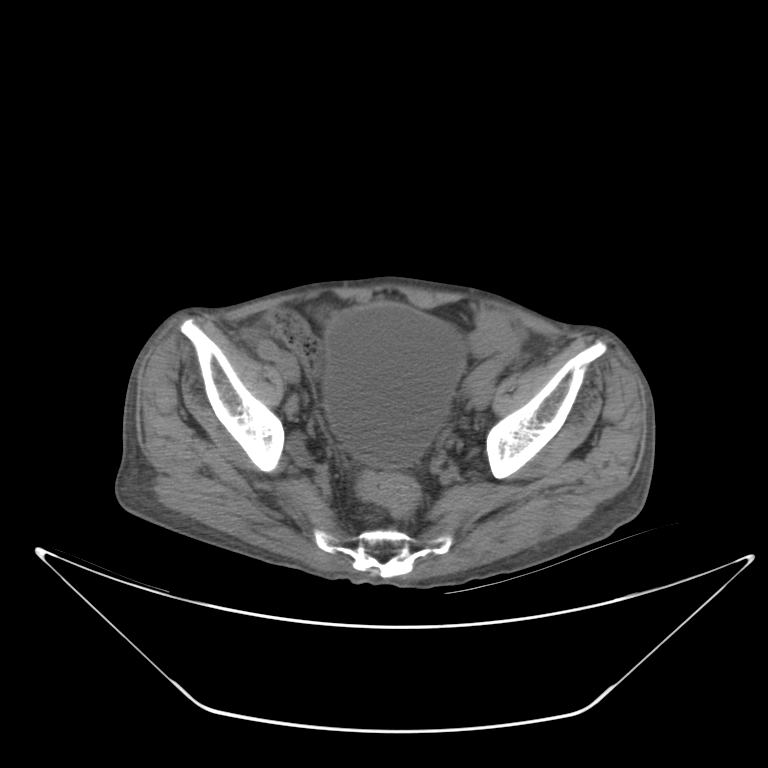

Computed tomography, abdomen. Axial slice 28/95. abdomen soft-tissue window. 68-year-old male patient. acquired on Brilliance16
Boxes: x1:y1:x2:y2 in pixels. The annotated organs in this slice are: bladder at 325:303:465:468.